CT abdomen. axial view. 512x512 px
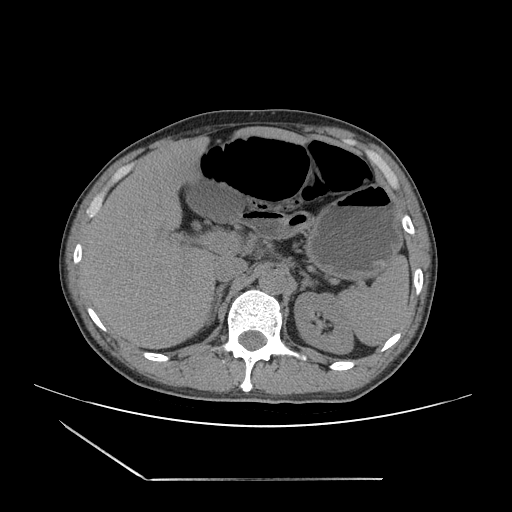 Coordinates as <box>x1,y1,x2,y2</box> in pixels.
liver: <box>81,126,307,349</box>
spleen: <box>338,254,409,346</box>
duodenum: <box>227,212,283,237</box>
inferior vena cava: <box>212,256,247,281</box>
gall bladder: <box>184,182,243,222</box>
left adrenal gland: <box>300,273,316,290</box>
aorta: <box>259,268,287,294</box>
left kidney: <box>294,292,353,354</box>
right adrenal gland: <box>206,284,225,325</box>
stomach: <box>280,184,402,279</box>